Abdominal CT; axial view; W/L 400/40 HU; 512x512 px
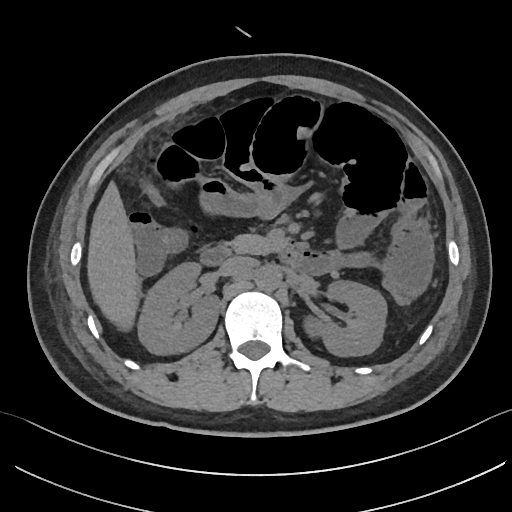

Box edges are left/top/right/bottom in pixels.
right kidney: left=139, top=263, right=219, bottom=355
left kidney: left=307, top=281, right=386, bottom=356
liver: left=86, top=180, right=138, bottom=328
aorta: left=254, top=265, right=281, bottom=291
inferior vena cava: left=219, top=256, right=255, bottom=276
pancreas: left=226, top=233, right=284, bottom=254
duodenum: left=200, top=245, right=301, bottom=266